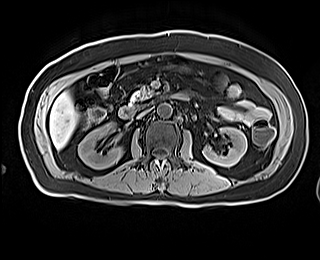

Abdominal MR; axial view; percentile-normalized; acquired on Prisma
Organ boxes in pixel coordinates; each row gives the top-left (x1, y1) and bottom-right (x2, y2) corners.
| organ | x1 | y1 | x2 | y2 |
|---|---|---|---|---|
| pancreas | 130 | 86 | 154 | 103 |
| right kidney | 78 | 122 | 122 | 169 |
| left kidney | 203 | 127 | 247 | 166 |
| liver | 49 | 92 | 77 | 148 |
| inferior vena cava | 137 | 109 | 148 | 118 |
| aorta | 157 | 103 | 172 | 117 |
| duodenum | 118 | 106 | 137 | 118 |